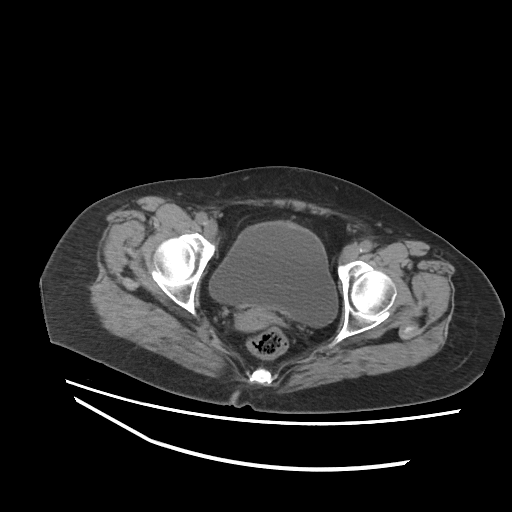
CT abdomen — axial view — 57-year-old female patient — 15 organs annotated in this scan (a whole-scan count: organs this slice does not pass through have no box)
Bounding boxes as [x1, y1, x2, y2] in pixel coordinates.
Organ bounding boxes:
- prostate/uterus: [235, 308, 272, 331]
- bladder: [209, 222, 337, 327]